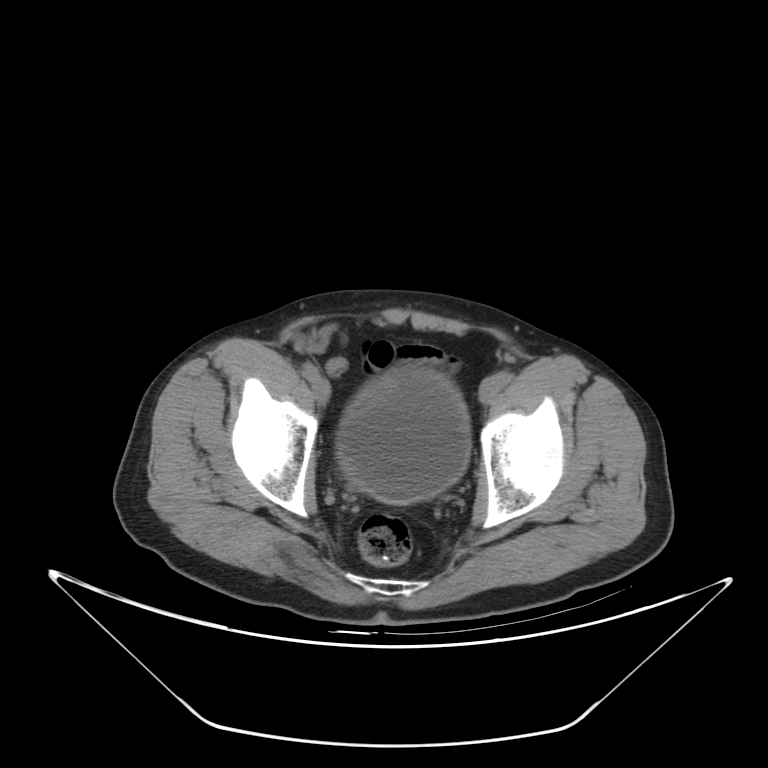
Abdominal CT. axial view. 768x768 px. 15 organs annotated in this scan (that count is for the whole scan; organs this slice misses have no box)
Boxes: x1:y1:x2:y2 in pixels.
Organ bounding boxes:
- bladder: 336:367:470:504